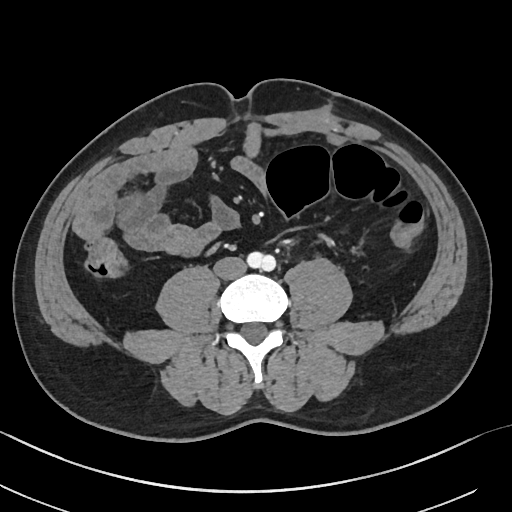

CT abdomen. Axial slice 113/307. SOMATOM Force scanner
<organs><organ name="inferior vena cava" x1="214" y1="256" x2="246" y2="280"/><organ name="aorta" x1="248" y1="251" x2="275" y2="271"/></organs>